Chest-level CT slice, above the liver and spleen — axial view — soft-tissue window
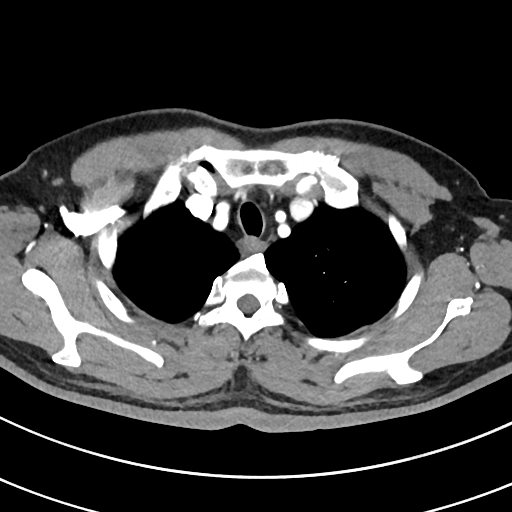 On a slice this high in the chest, this dataset labels only the esophagus and the aorta, and each is boxed only where it is labeled; the heart, lungs and other chest structures are not labeled.
{"organs":{"esophagus":[243,238,269,254]}}